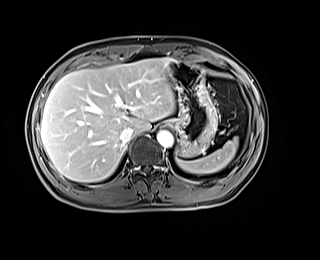
Abdominal MRI. Axial slice 37/72. percentile-normalized. 320x260 px. 13 organs annotated in this scan (that count is for the whole scan; organs this slice misses have no box)
Boxes: x1 y1 x2 y2 (pixel coords, space-separated).
Organ bounding boxes:
- spleen: 176 137 238 174
- liver: 40 58 175 182
- stomach: 166 60 217 156
- aorta: 157 130 173 147
- inferior vena cava: 120 127 133 144